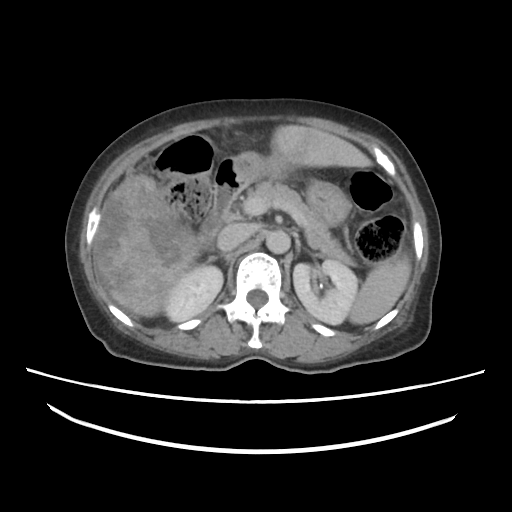 Abdominal CT. axial view. soft-tissue window. Aquilion ONE scanner
Boxes: x1 y1 x2 y2 (pixel coords, space-separated).
Organ bounding boxes:
- spleen: 347 255 411 325
- right kidney: 165 265 223 322
- left kidney: 293 259 357 324
- liver: 94 125 371 316
- stomach: 228 152 350 228
- aorta: 266 230 290 253
- inferior vena cava: 216 223 250 251
- pancreas: 243 181 354 264
- right adrenal gland: 207 254 231 262
- duodenum: 202 157 239 236